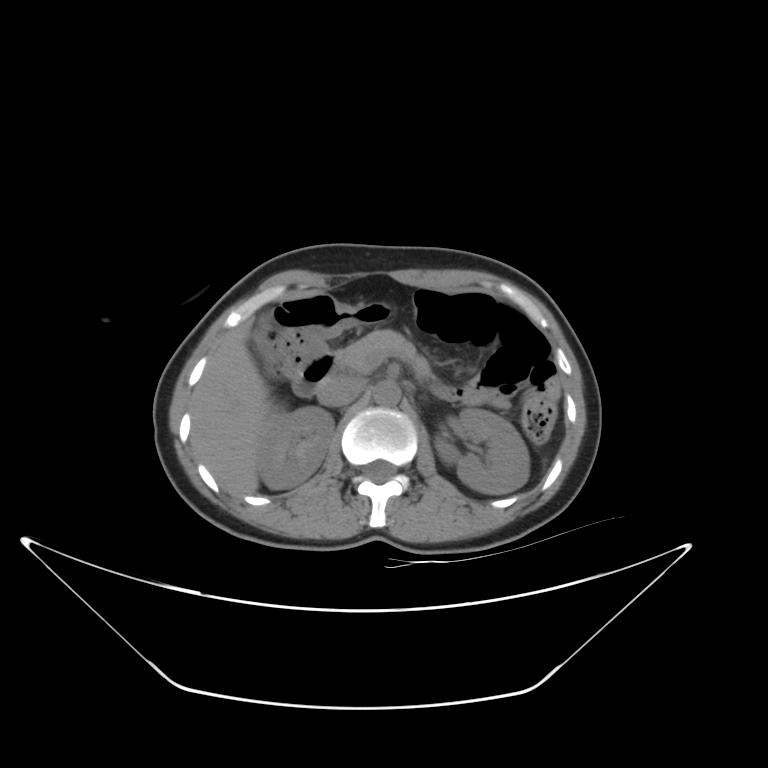 Abdominal CT · Axial slice 70/99 · soft-tissue window (W 400 / L 40) · Brilliance16 scanner
{"organs":{"right kidney":[257,407,334,489],"left kidney":[434,409,529,494],"gall bladder":[256,313,275,335],"liver":[190,322,272,496],"aorta":[373,380,401,406],"inferior vena cava":[316,375,364,407],"pancreas":[337,330,430,376],"duodenum":[292,353,338,397]}}